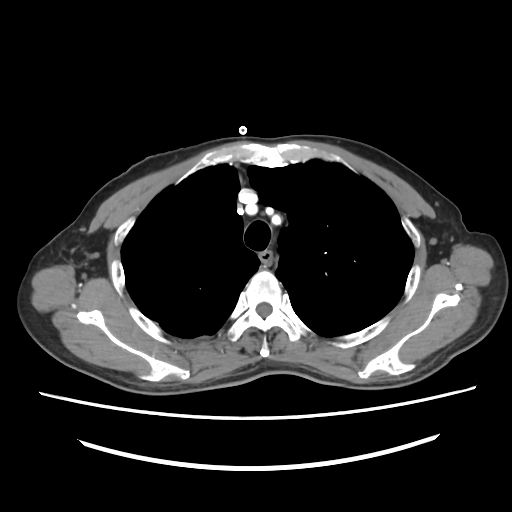 CT of the abdomen extending into the chest, slice through the chest; axial view
At this level of the chest no structure but the esophagus and the aorta has a label in this dataset, and those two are boxed only where they are labeled.
<organs><organ name="esophagus" x1="260" y1="250" x2="272" y2="267"/></organs>